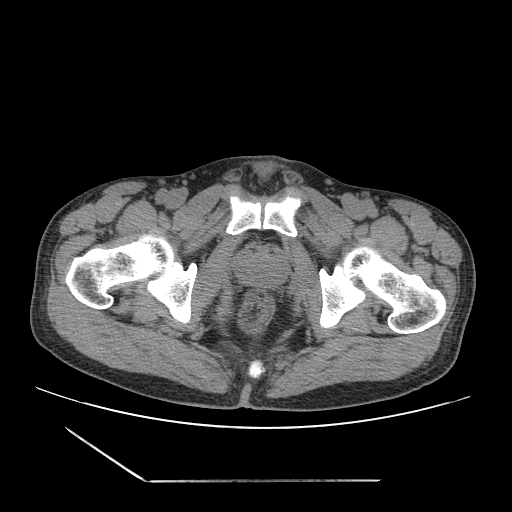 CT, abdomen/pelvis · axial view · soft-tissue window
Bounding boxes in pixels, one row per box: x1, y1 is the top-left corner and x2, y2 the bottom-right.
| organ | x1 | y1 | x2 | y2 |
|---|---|---|---|---|
| prostate/uterus | 237 | 251 | 284 | 287 |